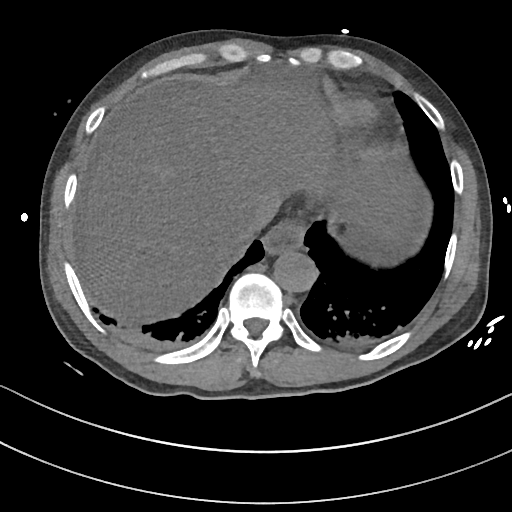 CT, abdomen/pelvis; axial plane, index 215; abdomen soft-tissue window; 512x512 px
Organ boxes in pixel coordinates; each row gives the top-left (x1, y1) and bottom-right (x2, y2) corners.
| organ | x1 | y1 | x2 | y2 |
|---|---|---|---|---|
| esophagus | 262 | 220 | 305 | 254 |
| liver | 82 | 81 | 410 | 323 |
| stomach | 343 | 225 | 399 | 263 |
| aorta | 273 | 249 | 318 | 292 |
| inferior vena cava | 233 | 203 | 278 | 240 |